Computed tomography, abdomen · Axial slice 88/191
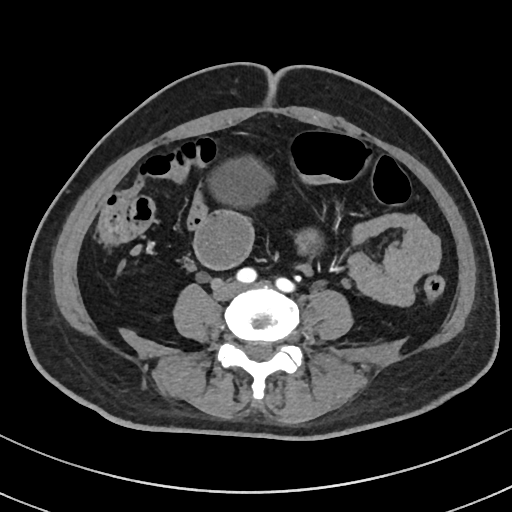 Bounding boxes as [x1, y1, x2, y2] in pixel coordinates.
Organ bounding boxes:
- bladder: [205, 156, 276, 208]
- prostate/uterus: [296, 231, 322, 255]